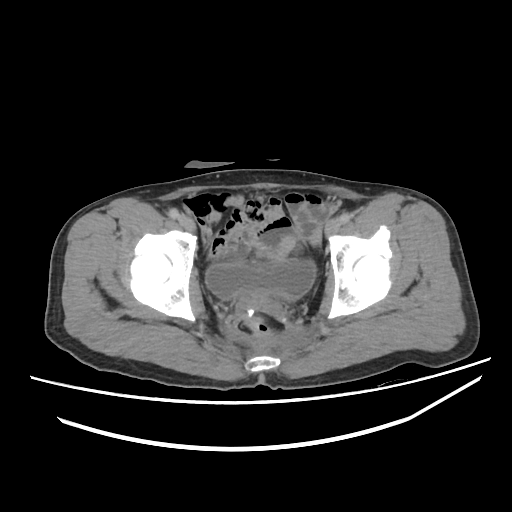 Abdominal CT · axial view · 58-year-old male patient
{"organs":{"bladder":[206,261,314,300],"prostate/uterus":[239,290,264,307]}}